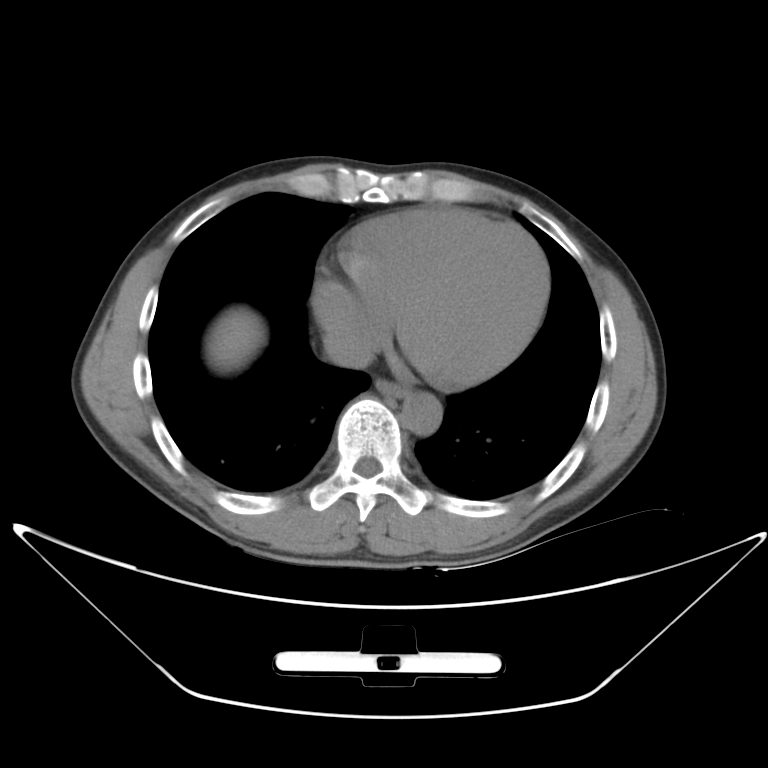

Abdominal CT — axial view — soft-tissue window — 768x768 px
Coordinates as <box>x1,y1,x2,y2</box> in pixels.
inferior vena cava: <box>322,327,369,367</box>
aorta: <box>403,392,440,432</box>
esophagus: <box>376,379,402,397</box>
liver: <box>208,313,260,367</box>